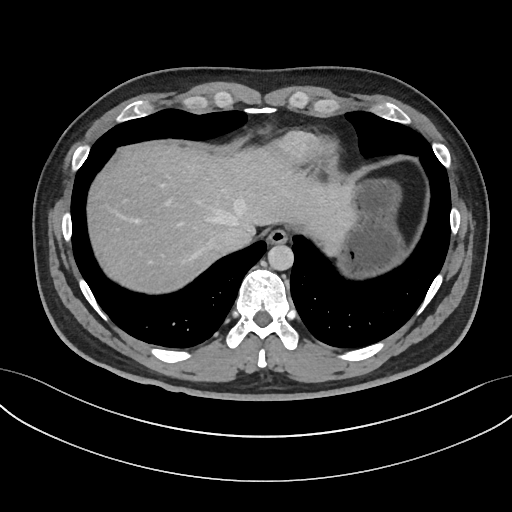
CT abdomen — axial view — abdomen soft-tissue window — 512x512 px
Coordinates as <box>x1,y1,x2,y2</box> in pixels.
Organ bounding boxes:
- aorta: <box>268,244,293,270</box>
- inferior vena cava: <box>210,227,254,253</box>
- esophagus: <box>267,229,288,244</box>
- stomach: <box>337,178,405,277</box>
- liver: <box>87,143,355,293</box>